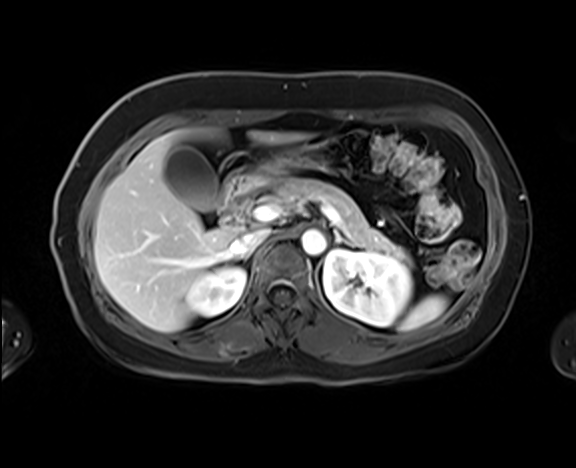

MRI, abdomen. axial view. 1st–99th percentile window. 576x468 px. Prisma scanner
Boxes: x1:y1:x2:y2 in pixels. Labeled organs on this slice: left adrenal gland at 334:231:354:248, left kidney at 323:249:411:326, pancreas at 265:178:411:267, duodenum at 222:171:254:226, liver at 94:130:306:331, spleen at 399:295:447:330, aorta at 301:229:326:254, right adrenal gland at 245:254:248:257, stomach at 241:146:316:189, inferior vena cava at 229:229:270:256, gall bladder at 164:146:219:211, right kidney at 184:267:245:316.